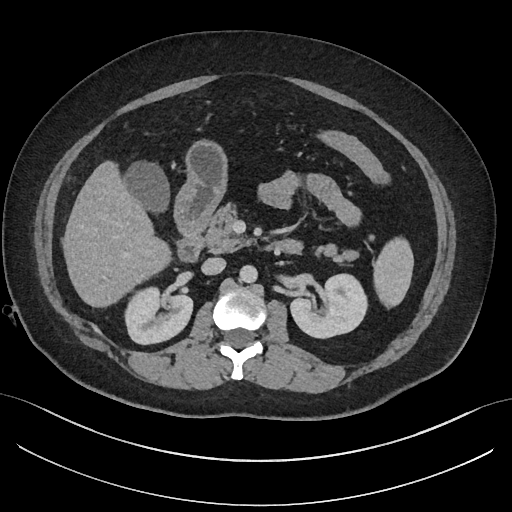 CT abdomen. axial view. soft-tissue window. 512x512 px. acquired on SOMATOM Force
Bounding boxes in pixels, one row per box: x1, y1 is the top-left corner and x2, y2 the bottom-right.
| organ | x1 | y1 | x2 | y2 |
|---|---|---|---|---|
| spleen | 373 | 237 | 413 | 308 |
| right kidney | 125 | 287 | 192 | 344 |
| left kidney | 290 | 274 | 367 | 338 |
| gall bladder | 124 | 161 | 169 | 213 |
| liver | 62 | 160 | 171 | 307 |
| stomach | 174 | 140 | 227 | 239 |
| aorta | 239 | 265 | 257 | 283 |
| inferior vena cava | 201 | 257 | 225 | 275 |
| pancreas | 204 | 203 | 359 | 263 |
| duodenum | 177 | 230 | 301 | 262 |